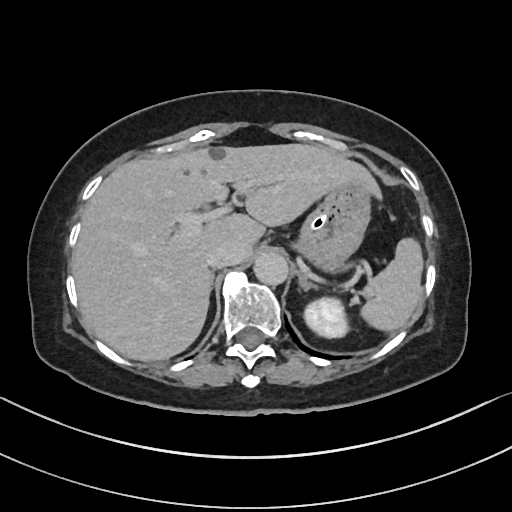

Abdominal CT — Axial slice 173/212 — soft-tissue window (W 400 / L 40) — scan has 15 labeled organs (a whole-scan count: organs this slice does not pass through have no box)
Boxes are (x1, y1, x2, y2) in pixels.
Organ bounding boxes:
- left kidney: (305, 298, 349, 336)
- inferior vena cava: (206, 241, 239, 268)
- liver: (72, 144, 382, 361)
- aorta: (254, 252, 289, 286)
- stomach: (293, 186, 370, 271)
- left adrenal gland: (299, 274, 315, 290)
- spleen: (362, 238, 423, 330)